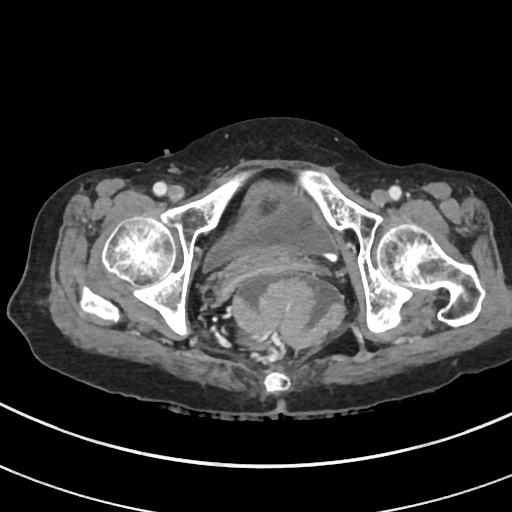 Abdominal CT. Axial slice 18/284. 512x512 px. SOMATOM Force scanner. 15 organs annotated in this scan (a whole-scan count: organs this slice does not pass through have no box)
Boxes are (x1, y1, x2, y2) in pixels. 2 labeled organs on this slice — bladder at (203, 181, 337, 273); prostate/uterus at (224, 247, 296, 284).